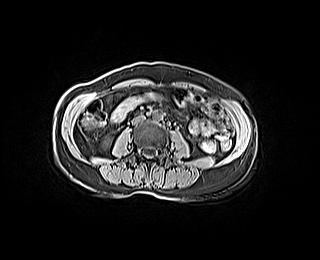
MRI, abdomen · axial view · percentile-normalized · 320x260 px
{"organs":{"right kidney":[105,140,109,145],"aorta":[152,110,162,120],"inferior vena cava":[132,115,145,124]}}